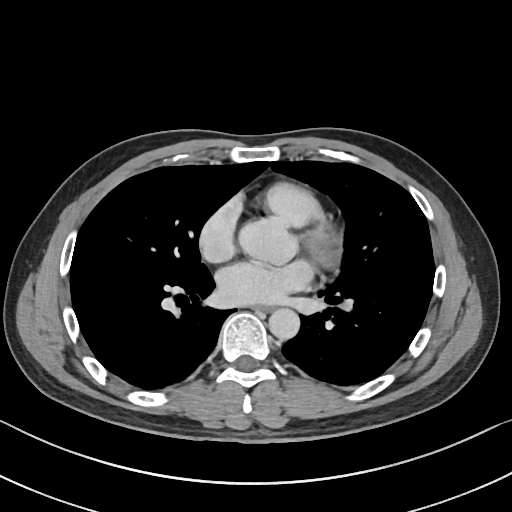 Chest-level CT slice, above the liver and spleen · axial view · W/L 400/40 HU · acquired on SOMATOM Force · 15 organs annotated in this scan (counted over the whole 3D scan, not this slice; an organ is boxed only where this slice passes through it)
On a slice this high in the chest, this dataset labels only the esophagus and the aorta, and each is boxed only where it is labeled; the heart, lungs and other chest structures are not labeled.
{"organs":{"esophagus":[254,305,272,312],"aorta":[268,307,300,338]}}